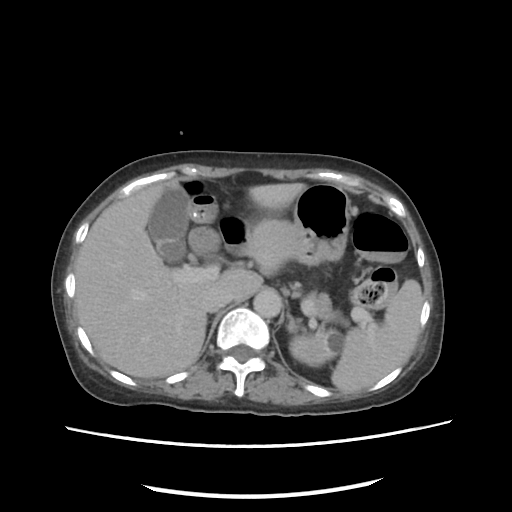 CT, abdomen/pelvis; axial view; W/L 400/40 HU; acquired on Aquilion ONE
Bounding boxes in pixels, one row per box: x1, y1 is the top-left corner and x2, y2 the bottom-right.
| organ | x1 | y1 | x2 | y2 |
|---|---|---|---|---|
| spleen | 331 | 279 | 423 | 392 |
| left kidney | 289 | 330 | 342 | 366 |
| gall bladder | 147 | 187 | 188 | 263 |
| liver | 75 | 183 | 306 | 377 |
| stomach | 250 | 184 | 350 | 265 |
| aorta | 253 | 289 | 281 | 317 |
| inferior vena cava | 203 | 287 | 231 | 312 |
| pancreas | 308 | 291 | 347 | 324 |
| left adrenal gland | 287 | 313 | 300 | 333 |
| duodenum | 221 | 219 | 251 | 255 |